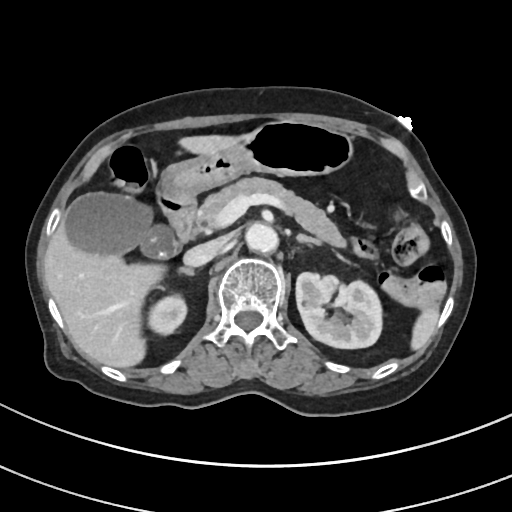 Abdominal CT · Axial slice 147/284 · 15 organs annotated in this scan (counted over the whole 3D scan, not this slice; an organ is boxed only where this slice passes through it)
Coordinates as <box>x1,y1,x2,y2</box> in pixels.
Organ bounding boxes:
- spleen: <box>411,309,439,348</box>
- right kidney: <box>147,296,187,335</box>
- left kidney: <box>296,273,382,348</box>
- gall bladder: <box>64,192,172,257</box>
- liver: <box>45,135,238,367</box>
- stomach: <box>162,120,351,197</box>
- aorta: <box>244,222,277,251</box>
- inferior vena cava: <box>183,238,224,266</box>
- pancreas: <box>193,176,344,245</box>
- right adrenal gland: <box>181,265,193,273</box>
- left adrenal gland: <box>297,233,320,244</box>
- duodenum: <box>157,190,195,253</box>